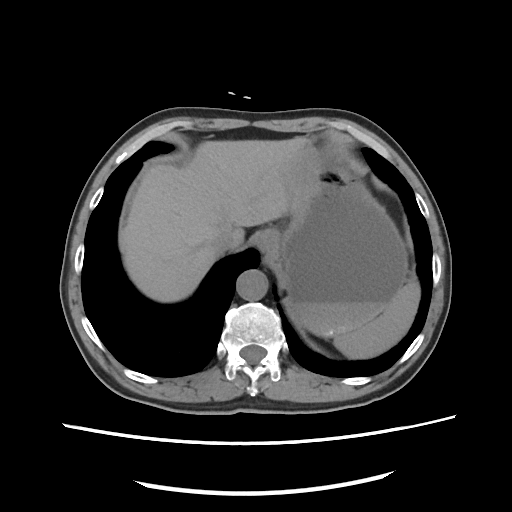

CT, abdomen/pelvis · axial plane, index 70 · soft-tissue window (W 400 / L 40) · 15 organs annotated in this scan (a whole-scan count: organs this slice does not pass through have no box)
Boxes are (x1, y1, x2, y2) in pixels. Labeled organs on this slice: spleen at (332, 282, 420, 358), esophagus at (255, 229, 276, 258), liver at (119, 138, 315, 302), stomach at (270, 158, 408, 335), aorta at (236, 269, 267, 300), inferior vena cava at (211, 230, 233, 256).